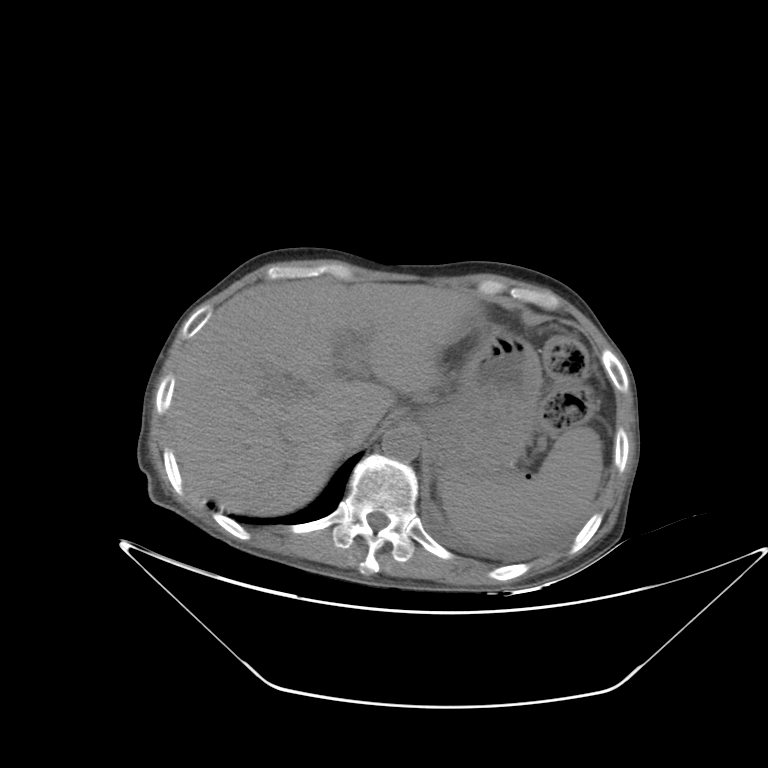 CT, abdomen/pelvis; axial view
<organs><organ name="stomach" x1="422" y1="325" x2="542" y2="480"/><organ name="aorta" x1="382" y1="427" x2="420" y2="462"/><organ name="liver" x1="168" y1="280" x2="480" y2="514"/><organ name="inferior vena cava" x1="332" y1="416" x2="365" y2="444"/><organ name="spleen" x1="440" y1="426" x2="602" y2="550"/></organs>